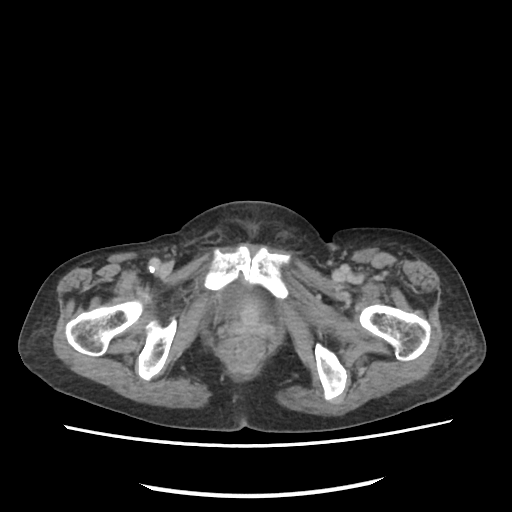

CT abdomen. Axial slice 10/90. soft-tissue window. 52-year-old female patient
<organs><organ name="bladder" x1="221" y1="284" x2="245" y2="311"/></organs>